Lower-chest slice from an abdominal CT, just above the liver and spleen · axial view · 512x512 px · scan has 15 labeled organs (counted over the whole 3D scan, not this slice; an organ is boxed only where this slice passes through it)
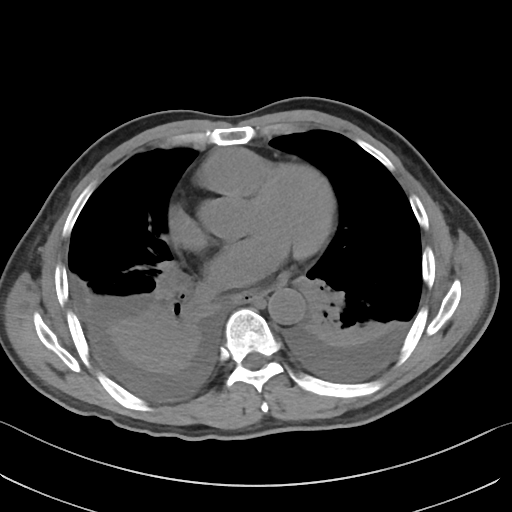 The heart and lungs are never labeled in this dataset, so they have no box on this slice.
Box edges are left/top/right/bottom in pixels.
Organ bounding boxes:
- esophagus: left=236, top=292, right=263, bottom=302
- aorta: left=268, top=288, right=305, bottom=324